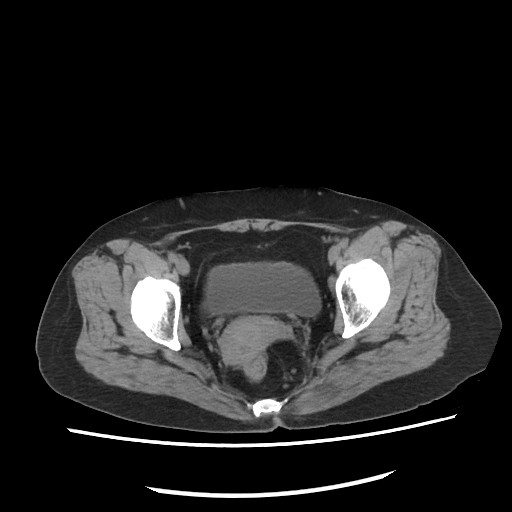
CT, abdomen/pelvis — axial plane, index 19 — W/L 400/40 HU — 512x512 px — 56-year-old female patient — Aquilion ONE scanner
One row per box, in pixels: columns x1 and y1 give the top-left corner, x2 and y2 the bottom-right.
| organ | x1 | y1 | x2 | y2 |
|---|---|---|---|---|
| bladder | 204 | 263 | 321 | 318 |
| prostate/uterus | 218 | 317 | 282 | 366 |